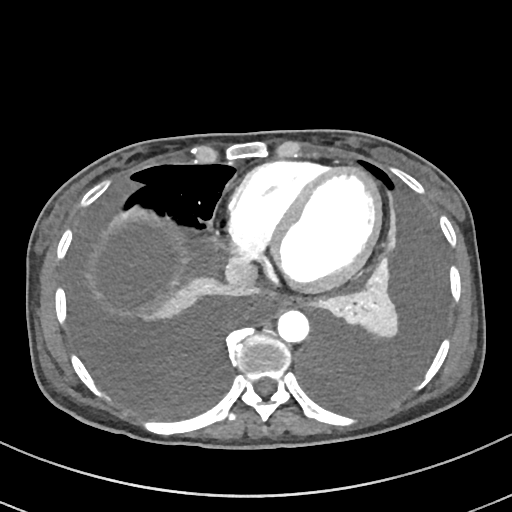
Lower-chest slice from an abdominal CT, just above the liver and spleen. axial view. scan has 15 labeled organs (a whole-scan count: organs this slice does not pass through have no box)
No part of the heart or lungs is labeled in this dataset, so neither has a box here.
{"organs":{"esophagus":[270,292,294,310],"aorta":[277,309,309,341],"inferior vena cava":[224,257,258,285]}}